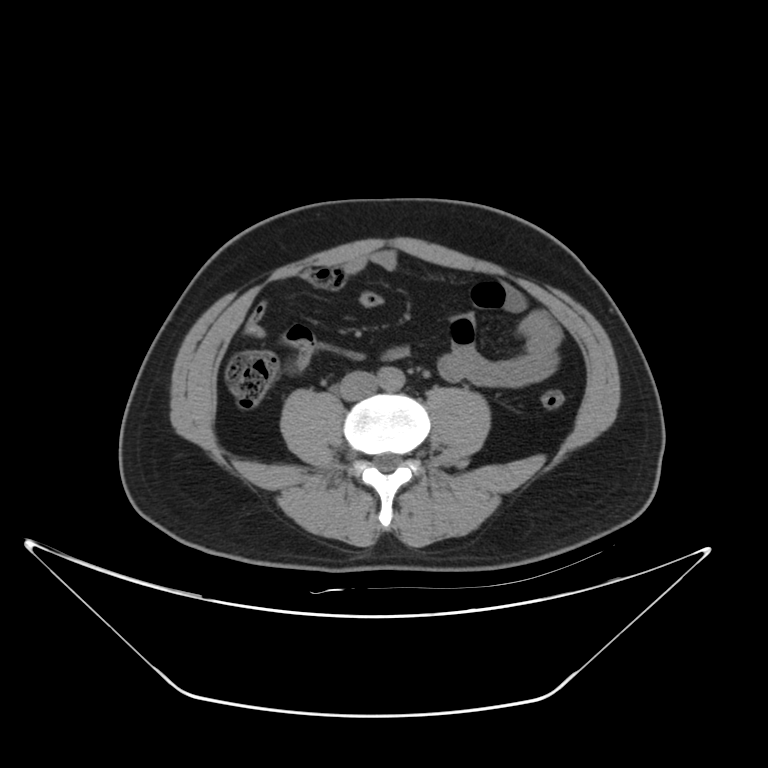

CT abdomen; axial plane, index 50; soft-tissue window; Brilliance16 scanner; scan has 15 labeled organs (a whole-scan count: organs this slice does not pass through have no box)
Box edges are left/top/right/bottom in pixels.
aorta: left=378, top=366, right=405, bottom=391
inferior vena cava: left=339, top=371, right=377, bottom=400